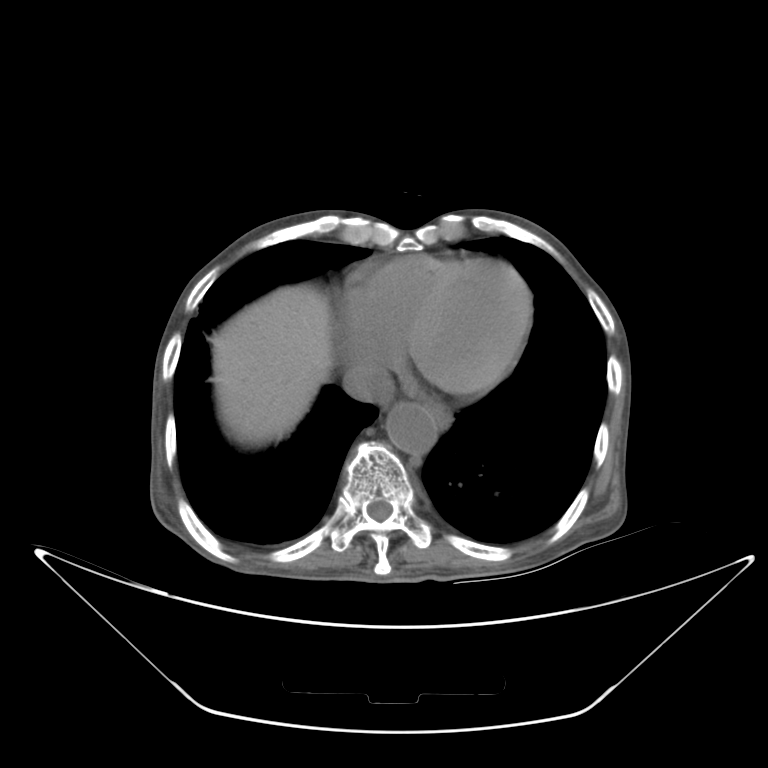

CT, abdomen/pelvis. axial plane, index 87. 768x768 px. acquired on Brilliance16
Boxes are (x1, y1, x2, y2) in pixels.
Organ bounding boxes:
- esophagus: (427, 402, 452, 429)
- liver: (209, 285, 334, 441)
- aorta: (386, 403, 436, 453)
- inferior vena cava: (344, 364, 394, 400)